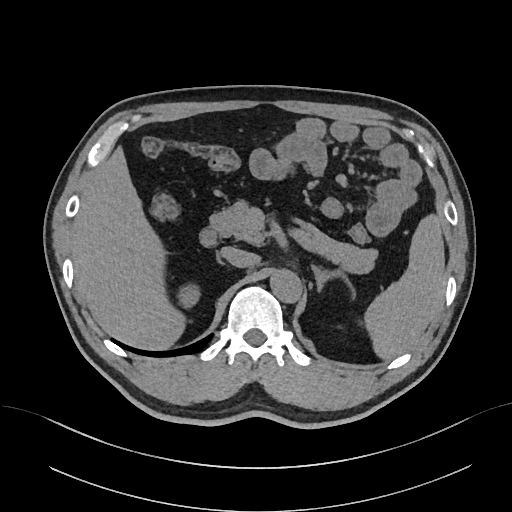

CT, abdomen/pelvis — axial view — soft-tissue window — acquired on SOMATOM Force
<organs><organ name="spleen" x1="366" y1="216" x2="444" y2="359"/><organ name="right kidney" x1="176" y1="286" x2="202" y2="308"/><organ name="liver" x1="71" y1="147" x2="183" y2="350"/><organ name="aorta" x1="269" y1="267" x2="301" y2="301"/><organ name="inferior vena cava" x1="220" y1="246" x2="257" y2="267"/><organ name="pancreas" x1="209" y1="202" x2="379" y2="272"/><organ name="right adrenal gland" x1="217" y1="255" x2="220" y2="261"/><organ name="left adrenal gland" x1="311" y1="263" x2="358" y2="300"/><organ name="duodenum" x1="199" y1="228" x2="220" y2="247"/></organs>